CT of the abdomen extending into the chest, slice through the chest; Axial slice 127/134; 512x512 px
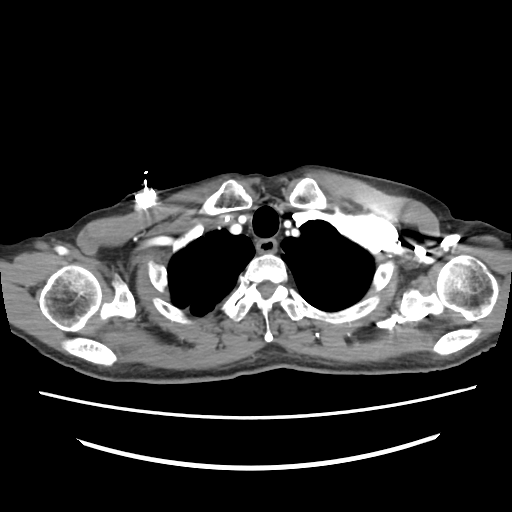

At this level of the chest no structure but the esophagus and the aorta has a label in this dataset, and those two are boxed only where they are labeled. Box edges are left/top/right/bottom in pixels. Labeled organs on this slice: esophagus at left=256, top=240, right=275, bottom=252.